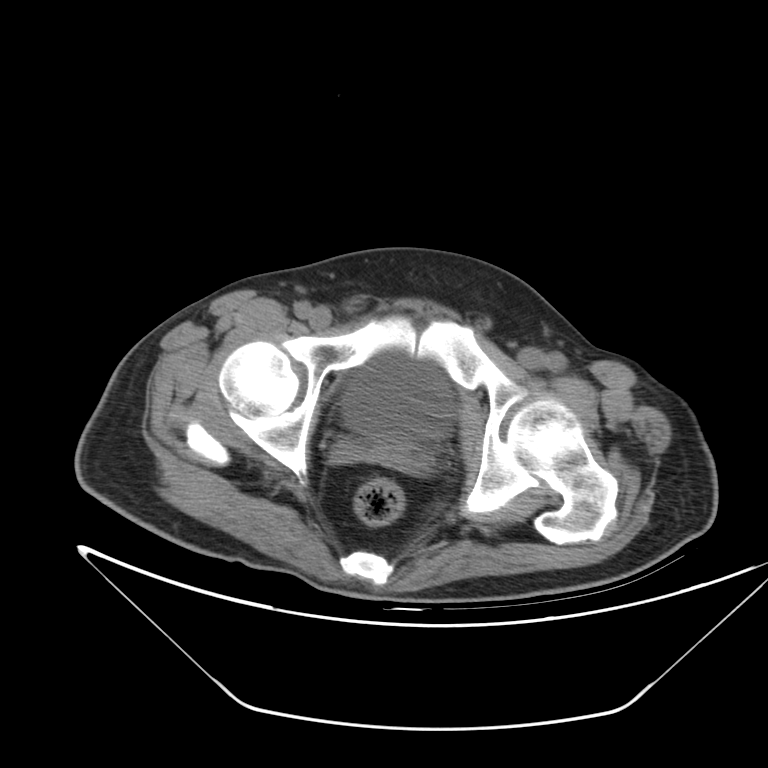

Computed tomography, abdomen · axial plane, index 20
One row per box, in pixels: columns x1 and y1 give the top-left corner, x2 and y2 the bottom-right.
| organ | x1 | y1 | x2 | y2 |
|---|---|---|---|---|
| bladder | 342 | 357 | 451 | 439 |
| prostate/uterus | 379 | 435 | 421 | 454 |